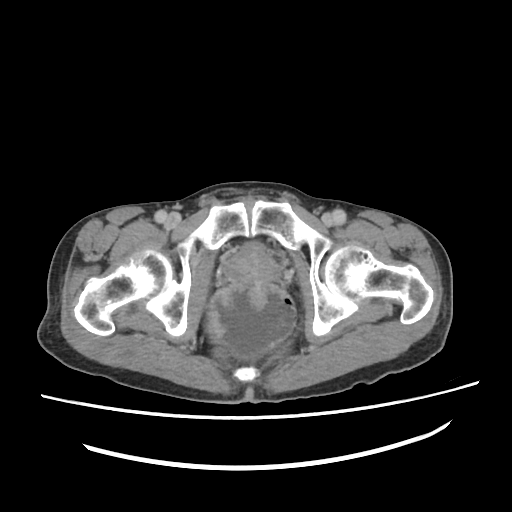 CT, abdomen/pelvis — Axial slice 12/84 — 72-year-old male patient
Boxes are (x1, y1, x2, y2) in pixels.
prostate/uterus: (225, 246, 276, 282)